Abdominal CT — axial view
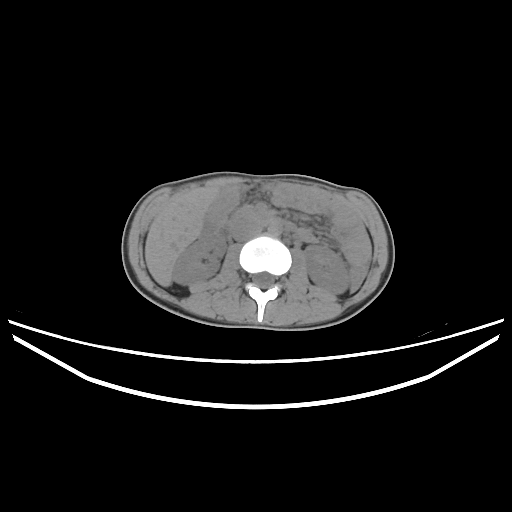
<organs><organ name="liver" x1="145" y1="187" x2="220" y2="286"/><organ name="gall bladder" x1="201" y1="218" x2="216" y2="236"/><organ name="right kidney" x1="172" y1="235" x2="226" y2="284"/><organ name="aorta" x1="267" y1="225" x2="281" y2="236"/><organ name="inferior vena cava" x1="232" y1="222" x2="261" y2="241"/><organ name="left kidney" x1="304" y1="245" x2="349" y2="294"/><organ name="pancreas" x1="230" y1="206" x2="266" y2="223"/><organ name="duodenum" x1="214" y1="214" x2="285" y2="239"/></organs>